Computed tomography, abdomen. axial plane, index 91
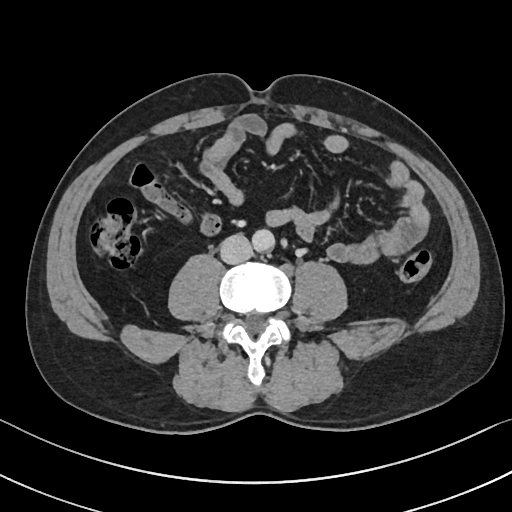
Each box given as x1,y1,x2,y2.
Organ bounding boxes:
- inferior vena cava: x1=220, y1=234, x2=252, y2=264
- aorta: x1=252, y1=229, x2=274, y2=252